Chest-level CT slice, above the liver and spleen · axial plane, index 249 · soft-tissue window · 15 organs annotated in this scan (that count is for the whole scan; organs this slice misses have no box)
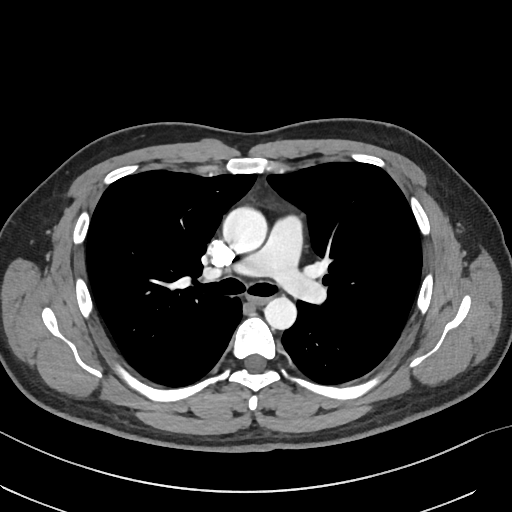 On a slice this high in the chest, this dataset labels only the esophagus and the aorta, and each is boxed only where it is labeled; the heart, lungs and other chest structures are not labeled.
Boxes: x1 y1 x2 y2 (pixel coords, space-separated).
Organ bounding boxes:
- esophagus: 249 295 269 304
- aorta: 223 207 267 251
- aorta: 265 297 296 329